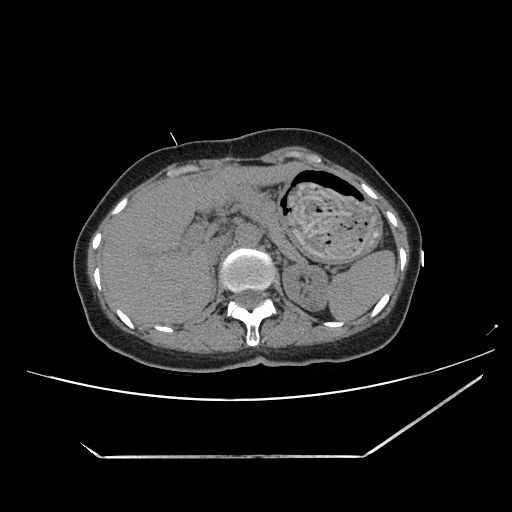 CT abdomen — axial view — 512x512 px — 14 organs annotated in this scan (a whole-scan count: organs this slice does not pass through have no box)
{"organs":{"spleen":[328,250,395,320],"left kidney":[282,261,329,310],"liver":[100,161,307,325],"stomach":[277,168,382,262],"aorta":[235,224,259,246],"inferior vena cava":[205,236,228,264],"pancreas":[226,182,302,261],"right adrenal gland":[210,269,217,299]}}